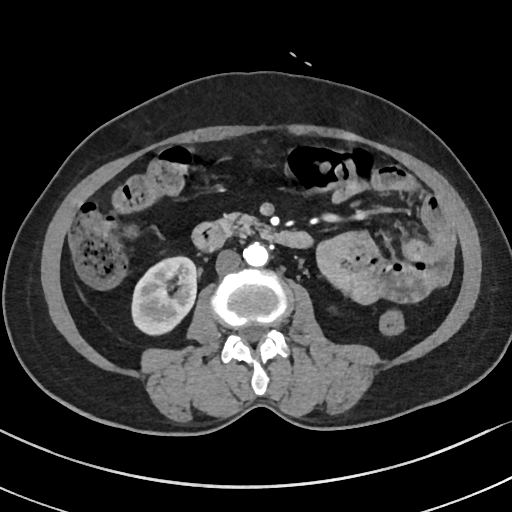

CT, abdomen/pelvis — axial view — W/L 400/40 HU
Boxes: x1:y1:x2:y2 in pixels.
right kidney: 132:255:197:332
aorta: 243:242:268:266
inferior vena cava: 216:249:241:274
pancreas: 220:213:264:235
duodenum: 193:221:310:250